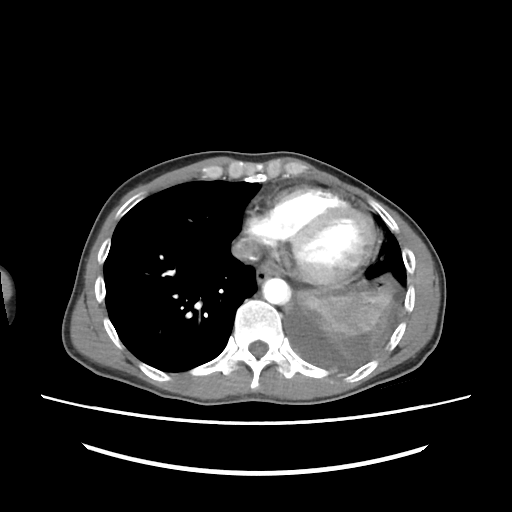

Lower-chest slice from an abdominal CT, just above the liver and spleen; axial view; soft-tissue window
Of the structures in the chest, this dataset labels only the esophagus, the aorta and the inferior vena cava; the heart and lungs have no label. Boxes are (x1, y1, x2, y2) in pixels. Labeled organs on this slice: esophagus at (256, 264, 270, 282), aorta at (262, 278, 291, 304), inferior vena cava at (232, 238, 257, 259).